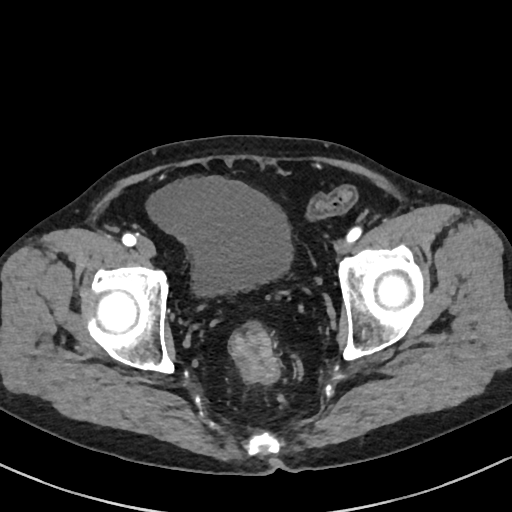

CT, abdomen/pelvis; axial view; soft-tissue window (W 400 / L 40); 512x512 px; acquired on SOMATOM Force
Boxes: x1 y1 x2 y2 (pixel coords, space-separated).
bladder: 148 177 294 298